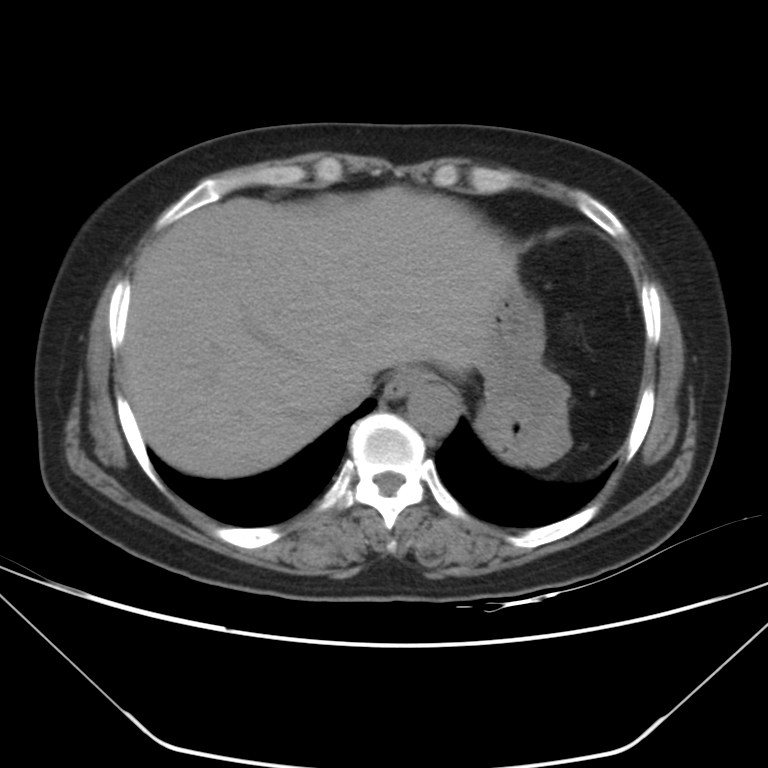
Computed tomography, abdomen. axial view. 40-year-old male patient. 15 organs annotated in this scan (counted over the whole 3D scan, not this slice; an organ is boxed only where this slice passes through it)
Boxes: x1:y1:x2:y2 in pixels.
inferior vena cava: 326:367:372:412
spleen: 567:444:568:445
esophagus: 385:367:430:399
liver: 123:186:515:478
stomach: 475:276:568:466
aorta: 406:382:458:435